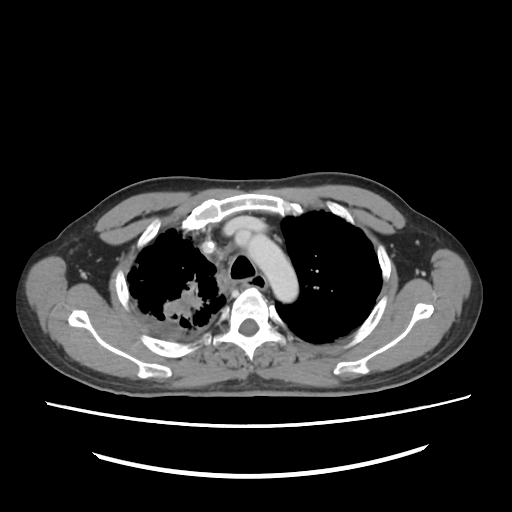
CT of the abdomen extending into the chest, slice through the chest — axial view
At this level of the chest this dataset labels only the esophagus and the aorta, and each is boxed only where it is labeled; the heart and lungs are never labeled.
Box edges are left/top/right/bottom in pixels.
aorta: left=248, top=235, right=296, bottom=302